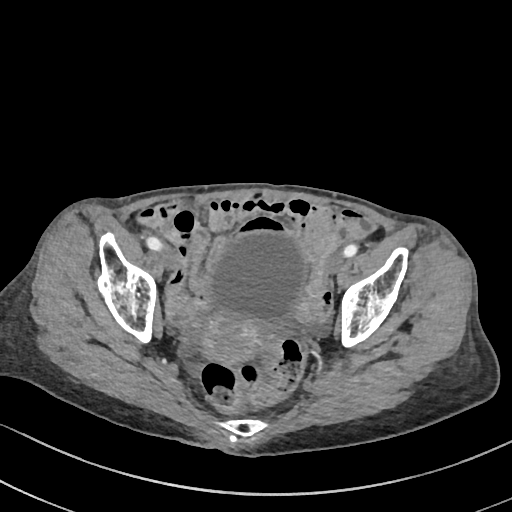
CT abdomen · Axial slice 73/236 · 512x512 px
{"organs":{"bladder":[208,231,309,330],"prostate/uterus":[200,317,261,364]}}